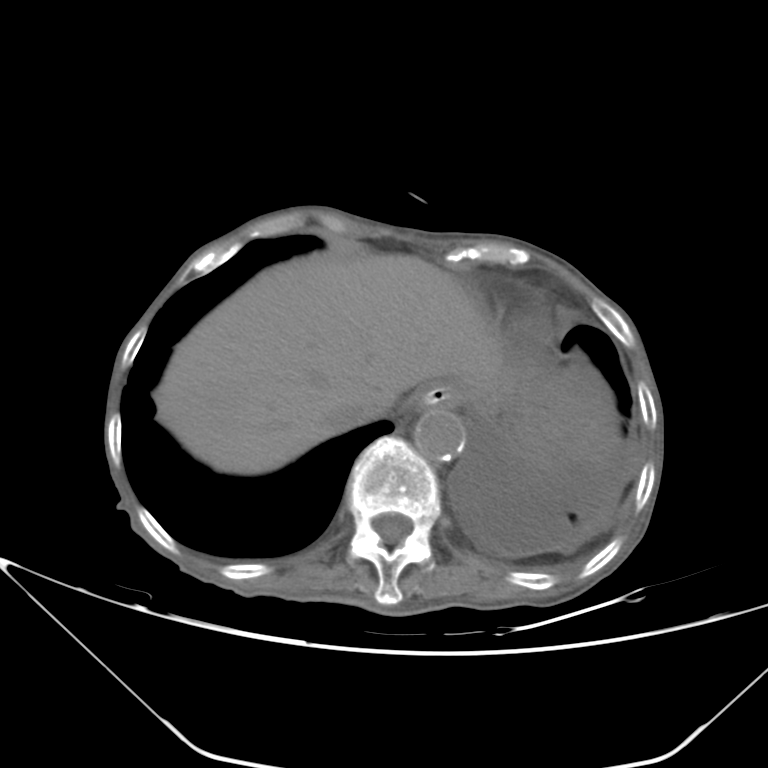

Computed tomography, abdomen; axial view; soft-tissue window; 768x768 px; acquired on Brilliance16; 14 organs annotated in this scan (a whole-scan count: organs this slice does not pass through have no box)
Each box given as x1,y1,x2,y2.
Organ bounding boxes:
- liver: x1=153, y1=253, x2=509, y2=474
- stomach: x1=415, y1=381, x2=500, y2=413
- aorta: x1=414, y1=408, x2=465, y2=461
- inferior vena cava: x1=325, y1=406, x2=368, y2=433